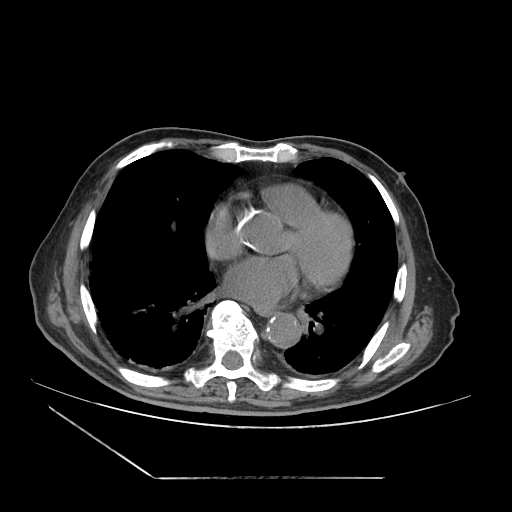
Lower-chest slice from an abdominal CT, just above the liver and spleen · Axial slice 182/187 · soft-tissue window · 512x512 px · scan has 15 labeled organs (counted over the whole 3D scan, not this slice; an organ is boxed only where this slice passes through it)
The heart and lungs are never labeled in this dataset, so they have no box on this slice.
Organ boxes in pixel coordinates; each row gives the top-left (x1, y1) and bottom-right (x2, y2) corners.
| organ | x1 | y1 | x2 | y2 |
|---|---|---|---|---|
| esophagus | 257 | 308 | 275 | 317 |
| aorta | 267 | 313 | 301 | 348 |